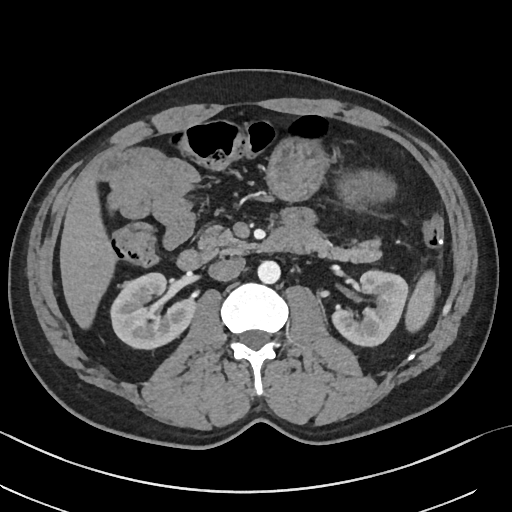

Computed tomography, abdomen. axial view. acquired on SOMATOM Force
Coordinates as <box>x1,y1,x2,y2</box> in pixels.
pancreas: <box>198,225,381,263</box>
stomach: <box>266,136,395,210</box>
left kidney: <box>332,270,407,346</box>
liver: <box>60,174,115,328</box>
spleen: <box>405,271,436,332</box>
aorta: <box>257,260,280,284</box>
inferior vena cava: <box>209,257,245,281</box>
duodenum: <box>177,229,295,269</box>
right kidney: <box>110,273,195,349</box>